Lower-chest slice from an abdominal CT, just above the liver and spleen. Axial slice 234/303. 512x512 px. scan has 15 labeled organs (that count is for the whole scan; organs this slice misses have no box)
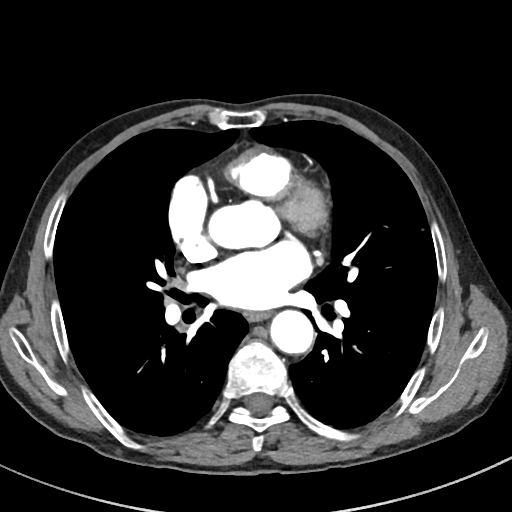
Of the structures in the chest, this dataset labels only the esophagus, the aorta and the inferior vena cava; the heart and lungs have no label.
Bounding boxes in pixels, one row per box: x1, y1 is the top-left corner and x2, y2 the bottom-right.
| organ | x1 | y1 | x2 | y2 |
|---|---|---|---|---|
| esophagus | 246 | 312 | 271 | 321 |
| aorta | 271 | 311 | 314 | 355 |